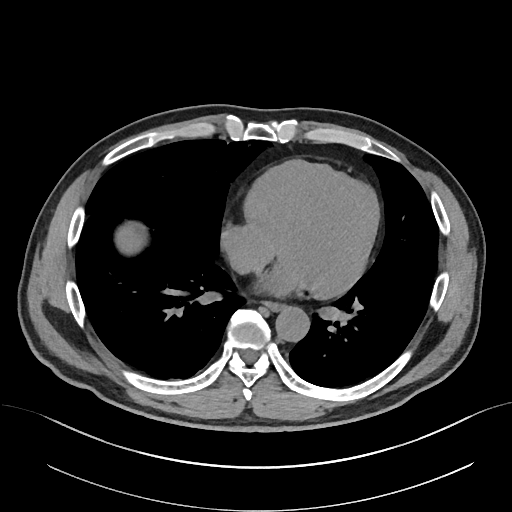

CT, abdomen/pelvis; axial view; soft-tissue window (W 400 / L 40); 512x512 px
Bounding boxes as [x1, y1, x2, y2] in pixel coordinates.
aorta: [275, 306, 309, 341]
liver: [115, 222, 146, 254]
esophagus: [263, 301, 283, 311]